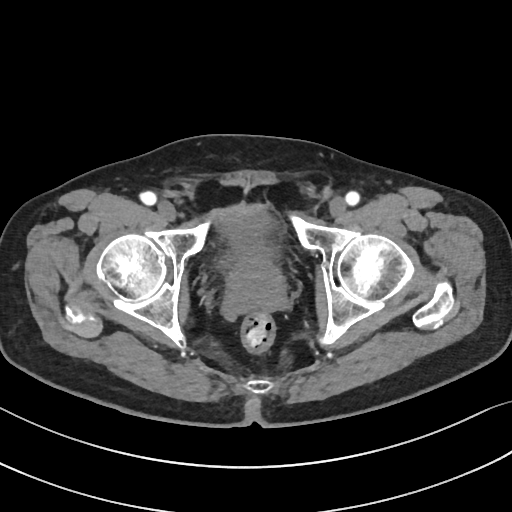
CT abdomen. axial view. soft-tissue window. 512x512 px
Boxes: x1:y1:x2:y2 in pixels.
Organ bounding boxes:
- bladder: 220:209:276:265
- prostate/uterus: 227:257:283:296